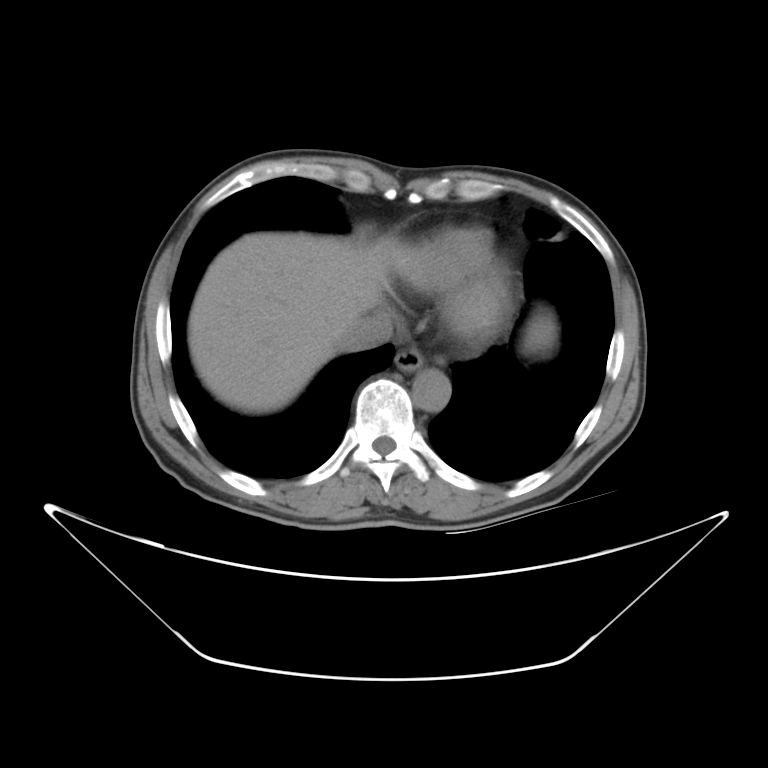

CT abdomen — axial view — 768x768 px — 59-year-old male patient — 15 organs annotated in this scan (counted over the whole 3D scan, not this slice; an organ is boxed only where this slice passes through it)
{"organs":{"inferior vena cava":[339,313,392,352],"aorta":[412,369,452,411],"liver":[186,232,552,413],"esophagus":[396,347,422,371]}}